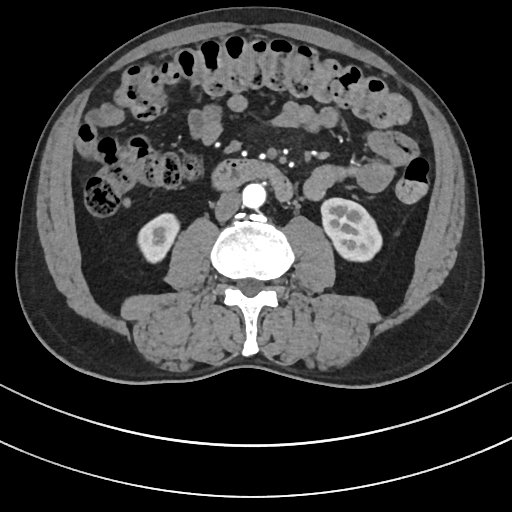

Computed tomography, abdomen · axial plane, index 105 · soft-tissue window (W 400 / L 40) · 512x512 px
<organs><organ name="right kidney" x1="136" y1="213" x2="179" y2="264"/><organ name="left kidney" x1="320" y1="197" x2="383" y2="262"/><organ name="aorta" x1="241" y1="184" x2="265" y2="209"/><organ name="inferior vena cava" x1="214" y1="191" x2="241" y2="221"/><organ name="duodenum" x1="211" y1="158" x2="293" y2="202"/></organs>